Chest-level CT slice, above the liver and spleen — axial view
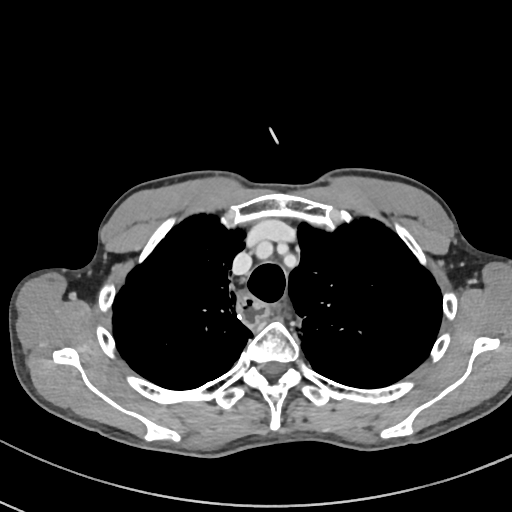 On a slice this high in the chest, this dataset labels only the esophagus and the aorta, and each is boxed only where it is labeled; the heart, lungs and other chest structures are not labeled.
<organs><organ name="esophagus" x1="237" y1="291" x2="271" y2="328"/></organs>